CT abdomen. Axial slice 55/91. 512x512 px. acquired on Aquilion ONE
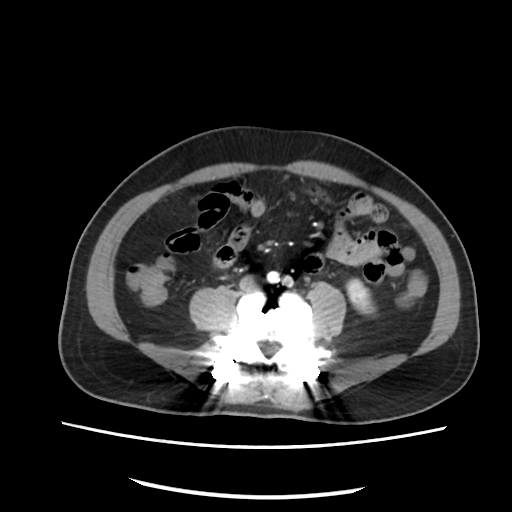
<organs><organ name="left kidney" x1="347" y1="278" x2="374" y2="314"/><organ name="inferior vena cava" x1="239" y1="274" x2="260" y2="292"/></organs>